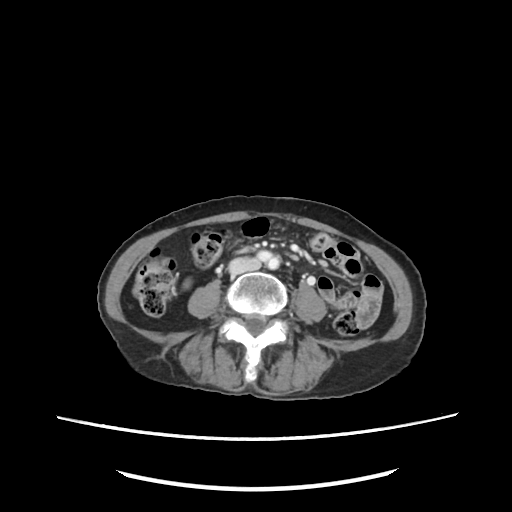 CT, abdomen/pelvis; axial view; 512x512 px
{"organs":{"inferior vena cava":[228,259,260,272]}}